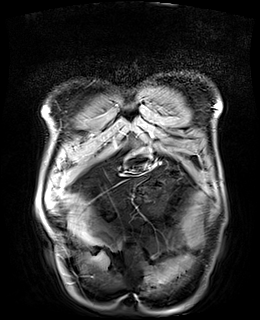
Magnetic resonance imaging, abdomen; coronal plane, index 135; 13 organs annotated in this scan (counted over the whole 3D scan, not this slice; an organ is boxed only where this slice passes through it)
One row per box, in pixels: columns x1 and y1 give the top-left corner, x2 and y2 the bottom-right.
| organ | x1 | y1 | x2 | y2 |
|---|---|---|---|---|
| stomach | 125 | 147 | 152 | 173 |